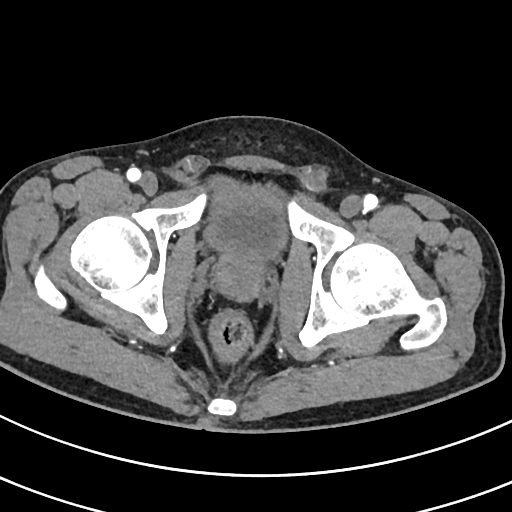
CT abdomen; axial view; 512x512 px
Boxes: x1 y1 x2 y2 (pixel coords, space-separated).
prostate/uterus: 215 251 263 297
bladder: 206 178 286 257